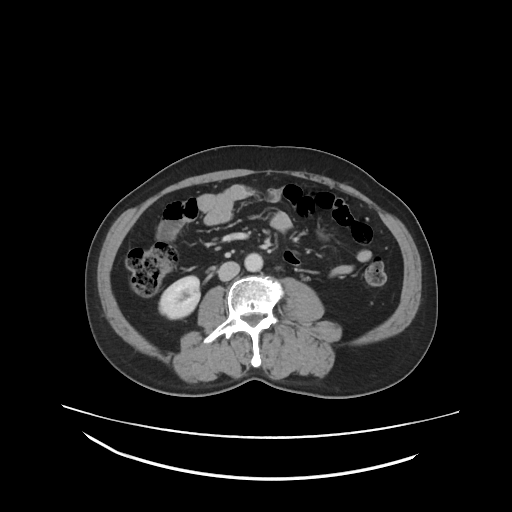

CT abdomen — axial view — 66-year-old male patient — 15 organs annotated in this scan (a whole-scan count: organs this slice does not pass through have no box)
{"organs":{"right kidney":[158,276,200,318],"aorta":[244,254,262,272],"inferior vena cava":[219,262,240,281]}}